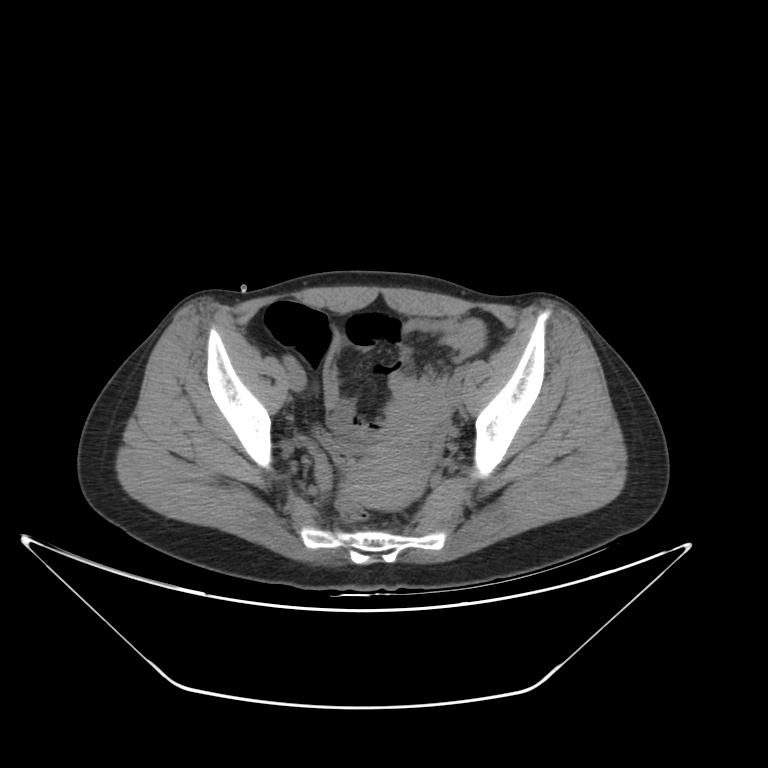
CT abdomen · axial plane, index 27 · 43-year-old female patient
<organs><organ name="prostate/uterus" x1="346" y1="451" x2="427" y2="510"/></organs>